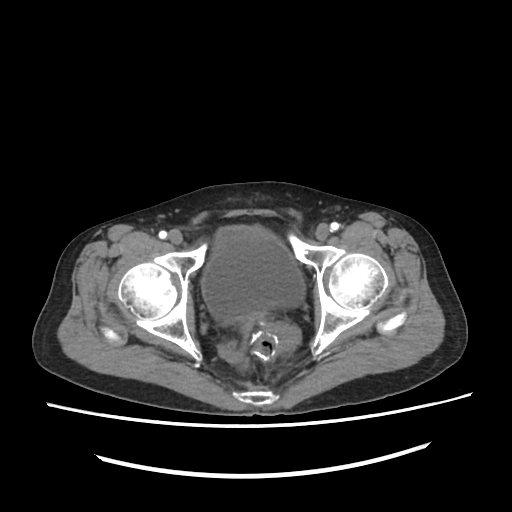
Computed tomography, abdomen — axial view — W/L 400/40 HU — 67-year-old male patient — acquired on Aquilion ONE
<organs><organ name="bladder" x1="201" y1="226" x2="304" y2="318"/></organs>